Magnetic resonance imaging, abdomen; axial view; 1st–99th percentile window
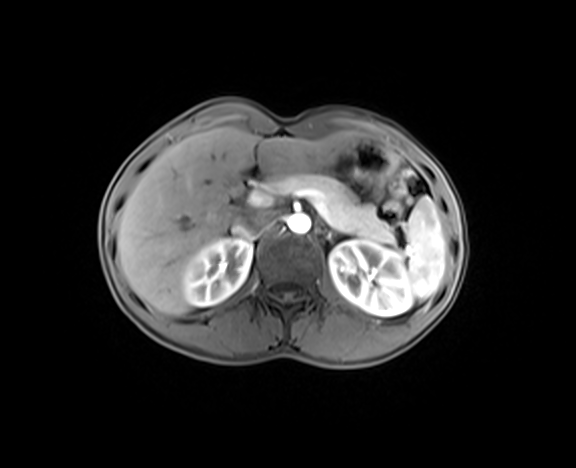

Boxes: x1:y1:x2:y2 in pixels. Labeled organs on this slice: spleen at 405:196:446:298, right kidney at 182:237:252:306, left kidney at 329:241:413:316, liver at 117:127:359:315, stomach at 324:140:394:193, aorta at 287:214:310:234, inferior vena cava at 231:211:273:236, pancreas at 267:173:395:244, duodenum at 238:164:265:194.